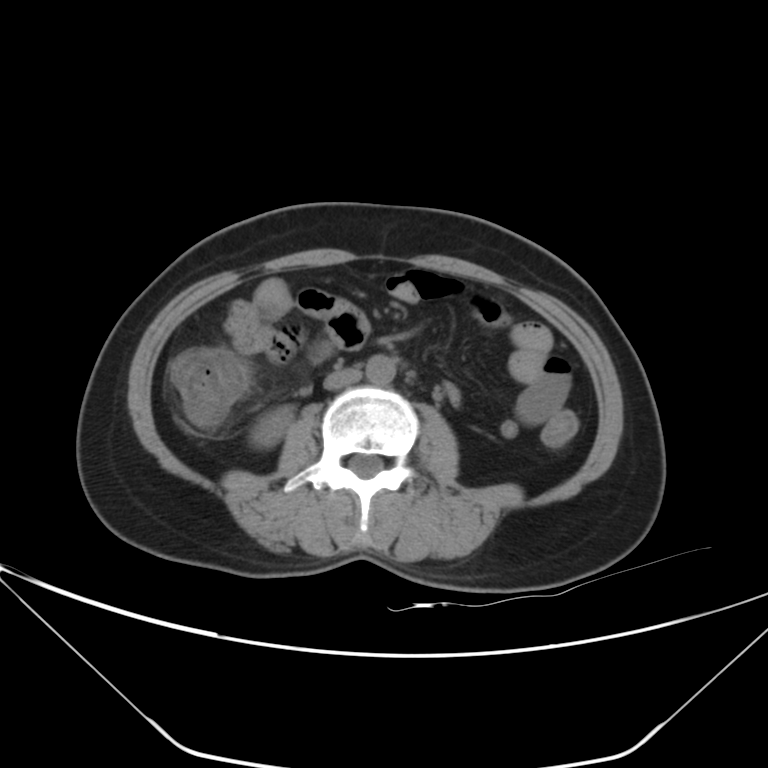

Abdominal CT. axial plane, index 44
Each box given as x1,y1,x2,y2. Labeled organs on this slice: right kidney at x1=254, y1=406, x2=293, y2=445, aorta at x1=365, y1=354, x2=396, y2=385, inferior vena cava at x1=323, y1=367, x2=361, y2=389.